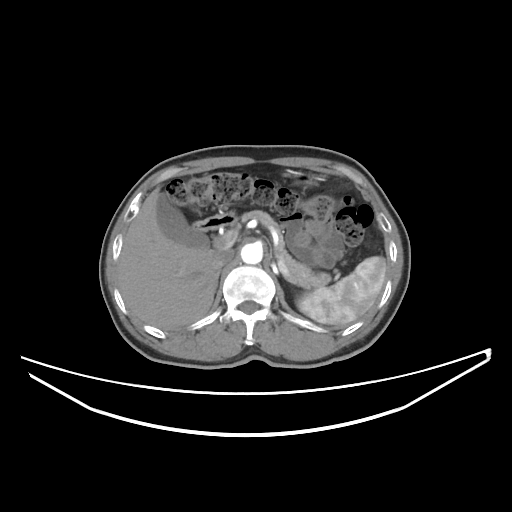

Computed tomography, abdomen — Axial slice 66/120 — 512x512 px
{"organs":{"spleen":[297,256,386,326],"gall bladder":[157,194,209,247],"liver":[117,188,217,330],"stomach":[302,175,309,180],"aorta":[241,243,262,264],"inferior vena cava":[211,247,234,270],"pancreas":[241,210,331,288],"right adrenal gland":[215,271,219,291],"left adrenal gland":[284,277,288,280],"duodenum":[192,212,236,231]}}